CT abdomen. axial plane, index 179. abdomen soft-tissue window. 15 organs annotated in this scan (a whole-scan count: organs this slice does not pass through have no box)
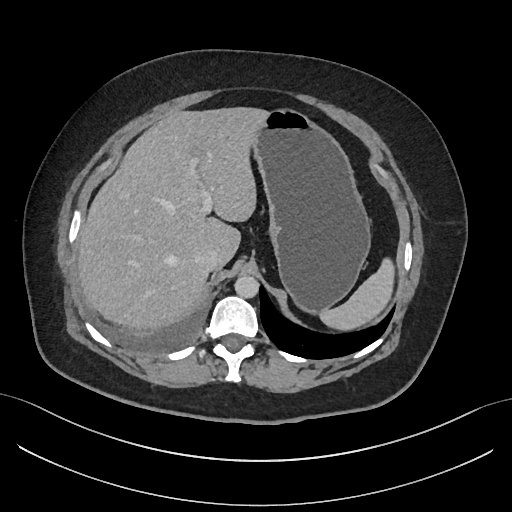 Boxes: x1 y1 x2 y2 (pixel coords, space-separated). Labeled organs on this slice: spleen at 320 257 392 329, liver at 76 106 265 332, stomach at 250 107 370 312, aorta at 234 275 259 298, inferior vena cava at 195 248 219 272.